CT abdomen · axial view · W/L 400/40 HU · 512x512 px
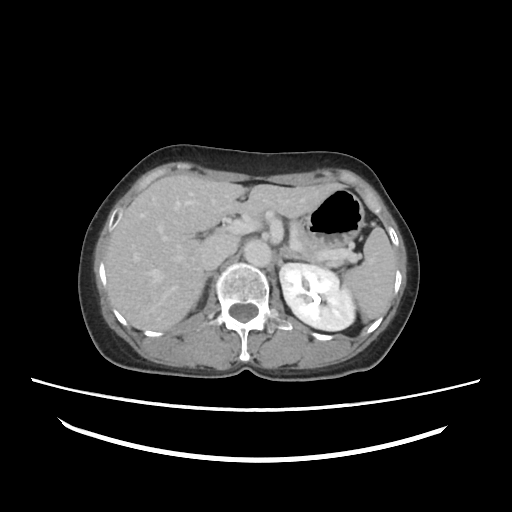
Boxes: x1:y1:x2:y2 in pixels. 9 labeled organs on this slice — spleen at 341:227:394:322; left kidney at 280:263:355:331; liver at 105:175:344:329; stomach at 301:188:363:247; aorta at 243:239:271:266; inferior vena cava at 196:231:240:271; pancreas at 297:225:362:258; right adrenal gland at 191:272:216:307; left adrenal gland at 277:245:314:268.